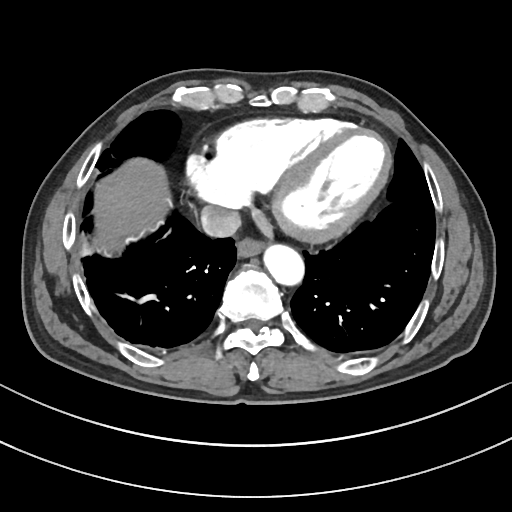
Abdominal CT. Axial slice 189/280. soft-tissue window. acquired on SOMATOM Force. scan has 15 labeled organs (a whole-scan count: organs this slice does not pass through have no box)
Organ boxes in pixel coordinates; each row gives the top-left (x1, y1) and bottom-right (x2, y2) corners.
| organ | x1 | y1 | x2 | y2 |
|---|---|---|---|---|
| aorta | 264 | 245 | 304 | 285 |
| esophagus | 237 | 238 | 264 | 257 |
| liver | 99 | 160 | 167 | 235 |
| inferior vena cava | 200 | 205 | 241 | 237 |